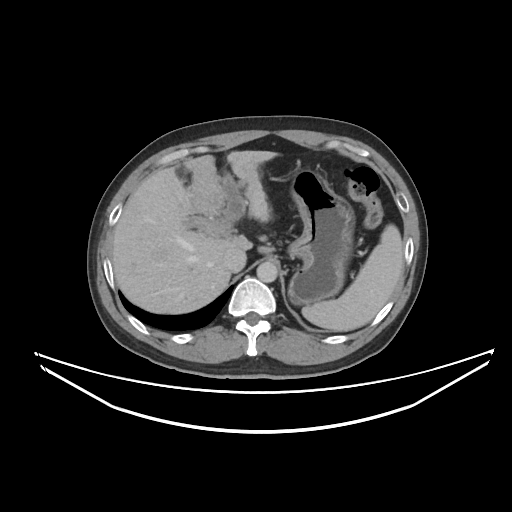

CT, abdomen/pelvis · Axial slice 78/131 · soft-tissue window (W 400 / L 40) · 512x512 px · 40-year-old male patient
Each box given as x1,y1,x2,y2.
gall bladder: x1=180, y1=168, x2=189, y2=181
spleen: x1=301, y1=224, x2=403, y2=331
aorta: x1=256, y1=261, x2=277, y2=282
inferior vena cava: x1=223, y1=248, x2=246, y2=272
stomach: x1=288, y1=169, x2=354, y2=305
liver: x1=112, y1=150, x2=277, y2=314